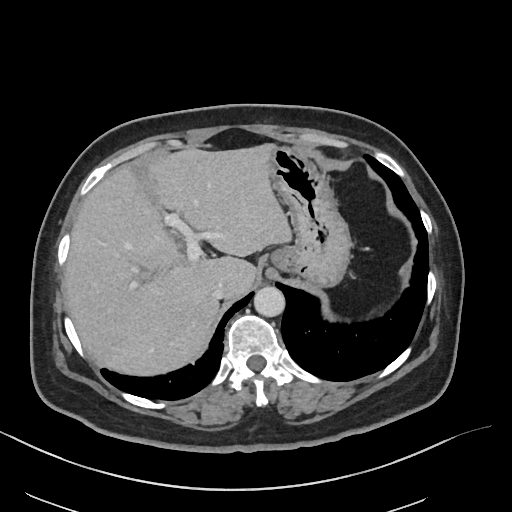 CT abdomen. axial view. 15 organs annotated in this scan (a whole-scan count: organs this slice does not pass through have no box)
Boxes: x1:y1:x2:y2 in pixels.
liver: 64:143:290:377
inferior vena cava: 212:282:222:298
stomach: 265:145:351:288
aorta: 254:286:285:316